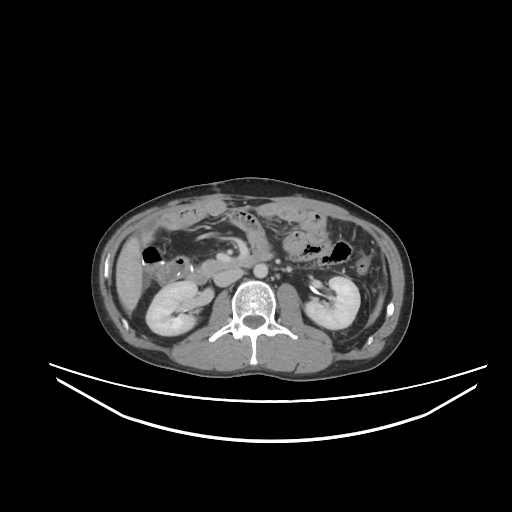 Abdominal CT · axial view · 512x512 px
{"organs":{"spleen":[369,298,382,323],"aorta":[253,263,267,277],"duodenum":[186,241,273,284],"left kidney":[305,277,360,329],"pancreas":[201,260,218,269],"inferior vena cava":[214,268,243,286],"liver":[116,236,142,312],"right kidney":[146,281,197,335]}}